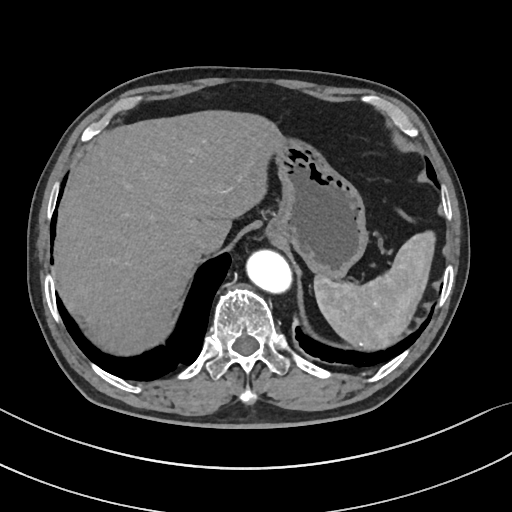
Computed tomography, abdomen; Axial slice 186/306; 512x512 px
Boxes are (x1, y1, x2, y2) in pixels.
spleen: (314, 232, 435, 352)
liver: (58, 109, 281, 355)
stomach: (268, 138, 366, 277)
aorta: (245, 248, 289, 290)
inferior vena cava: (183, 233, 208, 255)